CT of the abdomen reaching into the lower chest, slice just above the liver and spleen — Axial slice 100/133 — soft-tissue window (W 400 / L 40) — Aquilion ONE scanner
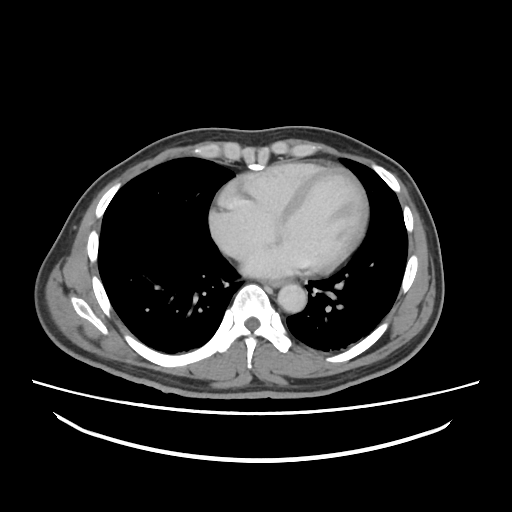

No part of the heart or lungs is labeled in this dataset, so neither has a box here. Boxes: x1:y1:x2:y2 in pixels. The annotated organs in this slice are: esophagus at 265:280:286:287, aorta at 277:283:306:312.